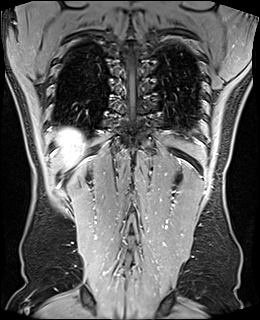 Magnetic resonance imaging, abdomen; coronal view; 1st–99th percentile window; 260x320 px; Prisma scanner; scan has 13 labeled organs (that count is for the whole scan; organs this slice misses have no box)
Boxes are (x1, y1, x2, y2) in pixels.
liver: (56, 128, 83, 168)